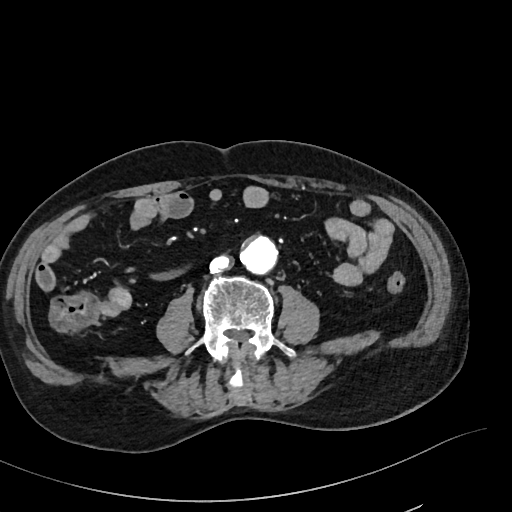

Computed tomography, abdomen · axial view · scan has 15 labeled organs (that count is for the whole scan; organs this slice misses have no box)
Boxes: x1 y1 x2 y2 (pixel coords, space-separated). 2 labeled organs on this slice — aorta at 240 237 276 272; inferior vena cava at 210 257 231 273.